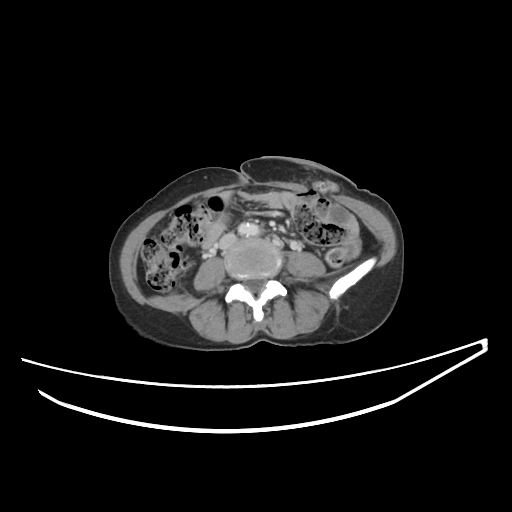 Abdominal CT; axial view
{"organs":{"aorta":[238,223,259,235],"inferior vena cava":[219,233,236,248]}}